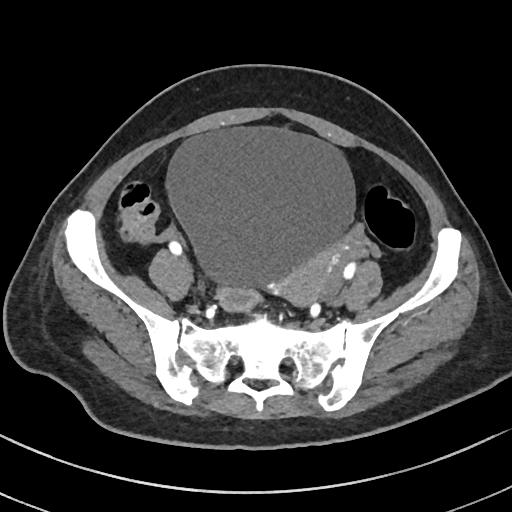
CT abdomen — axial view — soft-tissue window (W 400 / L 40)
{"organs":{"bladder":[167,125,354,287],"prostate/uterus":[283,237,355,307]}}